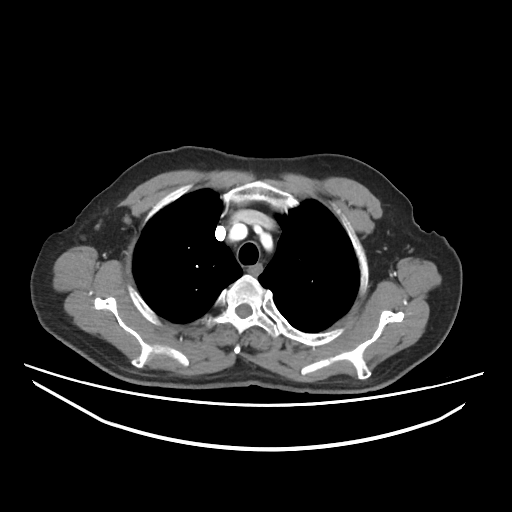 Abdominal CT reaching into the chest; this slice is in the chest — axial view — 512x512 px
At this level of the chest no structure but the esophagus and the aorta has a label in this dataset, and those two are boxed only where they are labeled.
Boxes: x1 y1 x2 y2 (pixel coords, space-separated).
Organ bounding boxes:
- esophagus: 247 264 261 275